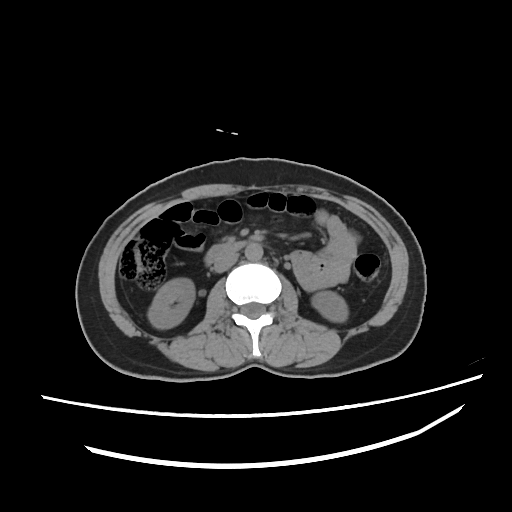

Computed tomography, abdomen — axial view — 43-year-old female patient
<organs><organ name="right kidney" x1="148" y1="277" x2="195" y2="329"/><organ name="left kidney" x1="311" y1="292" x2="347" y2="322"/><organ name="aorta" x1="245" y1="242" x2="261" y2="260"/><organ name="inferior vena cava" x1="212" y1="252" x2="238" y2="272"/><organ name="duodenum" x1="205" y1="241" x2="245" y2="266"/></organs>